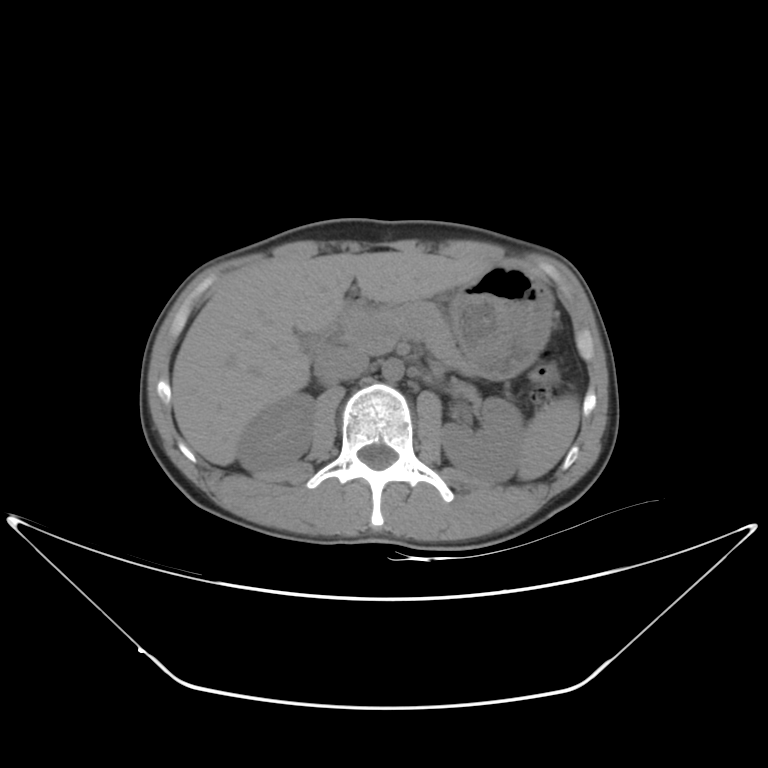

CT abdomen. axial view. W/L 400/40 HU
<organs><organ name="spleen" x1="518" y1="394" x2="580" y2="480"/><organ name="right kidney" x1="238" y1="394" x2="314" y2="473"/><organ name="left kidney" x1="440" y1="397" x2="524" y2="484"/><organ name="liver" x1="172" y1="250" x2="488" y2="465"/><organ name="stomach" x1="450" y1="264" x2="552" y2="379"/><organ name="aorta" x1="381" y1="359" x2="404" y2="382"/><organ name="inferior vena cava" x1="314" y1="347" x2="368" y2="382"/><organ name="pancreas" x1="339" y1="302" x2="466" y2="370"/><organ name="duodenum" x1="328" y1="294" x2="368" y2="334"/></organs>